Chest-level CT slice, above the liver and spleen — axial view — soft-tissue window, W/L 400/40 — 15 organs annotated in this scan (a whole-scan count: organs this slice does not pass through have no box)
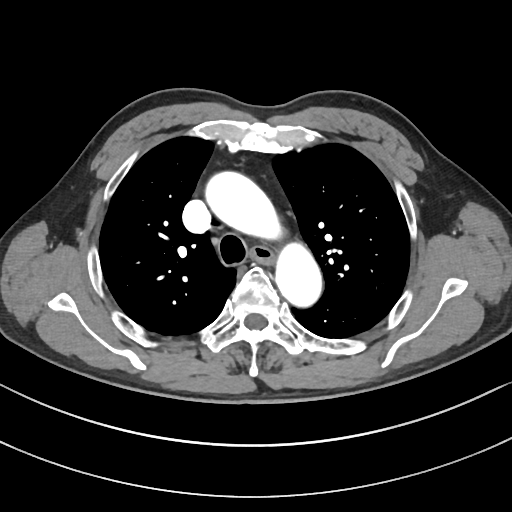 At this level of the chest this dataset labels only the esophagus and the aorta, and each is boxed only where it is labeled; the heart and lungs are never labeled.
Organ boxes in pixel coordinates; each row gives the top-left (x1, y1) and bottom-right (x2, y2) corners.
| organ | x1 | y1 | x2 | y2 |
|---|---|---|---|---|
| esophagus | 252 | 247 | 272 | 263 |
| aorta | 204 | 170 | 278 | 238 |
| aorta | 276 | 246 | 322 | 308 |